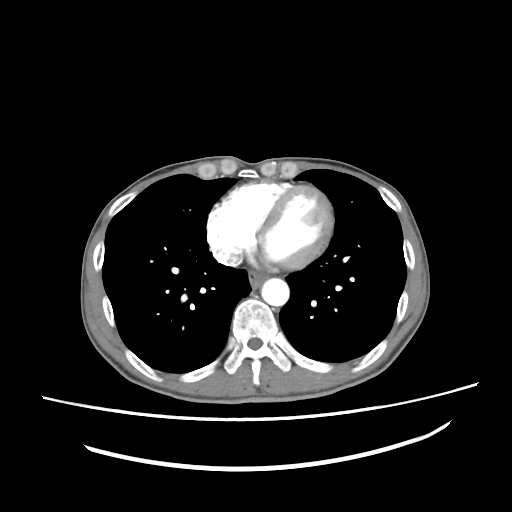 Abdominal CT; this slice is in the lower chest, just above the liver — axial view
No part of the heart or lungs is labeled in this dataset, so neither has a box here. Boxes: x1 y1 x2 y2 (pixel coords, space-separated). 2 labeled organs on this slice — esophagus at 248 271 267 288; aorta at 261 278 289 306.